Computed tomography, abdomen · axial view · 512x512 px · Aquilion ONE scanner
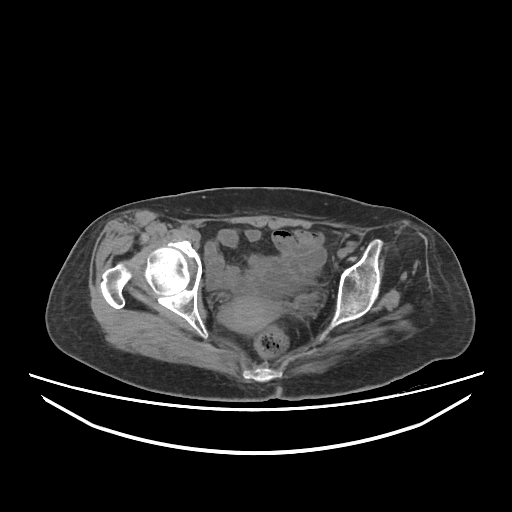 One row per box, in pixels: columns x1 and y1 give the top-left corner, x2 and y2 the bottom-right.
| organ | x1 | y1 | x2 | y2 |
|---|---|---|---|---|
| prostate/uterus | 220 | 296 | 281 | 333 |